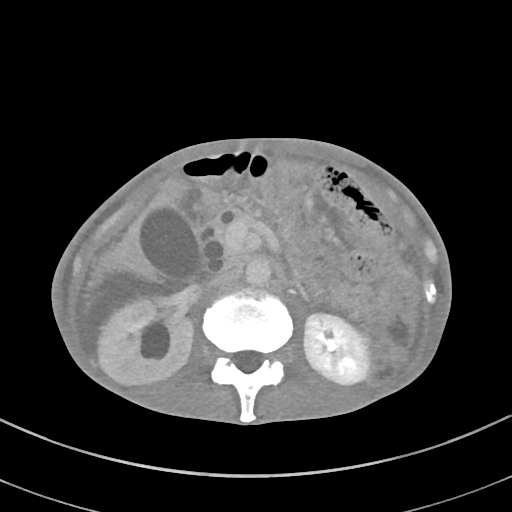

CT abdomen · Axial slice 58/92 · soft-tissue window · 512x512 px · scan has 15 labeled organs (that count is for the whole scan; organs this slice misses have no box)
Each box given as x1,y1,x2,y2.
right kidney: x1=98, y1=298, x2=192, y2=384
left kidney: x1=119, y1=313, x2=369, y2=384
gall bladder: x1=139, y1=205, x2=204, y2=282
liver: x1=100, y1=177, x2=187, y2=279
aorta: x1=245, y1=258, x2=271, y2=285
inferior vena cava: x1=211, y1=266, x2=239, y2=285
pancreas: x1=216, y1=206, x2=258, y2=245
duodenum: x1=178, y1=187, x2=215, y2=230